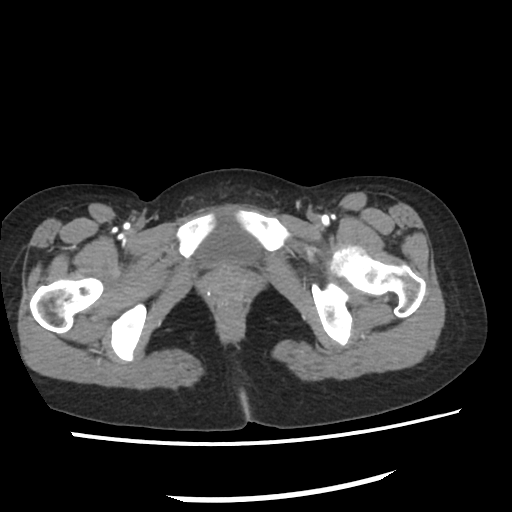 CT abdomen. Axial slice 9/124. W/L 400/40 HU. 34-year-old female patient
{"organs":{"bladder":[196,230,257,266]}}